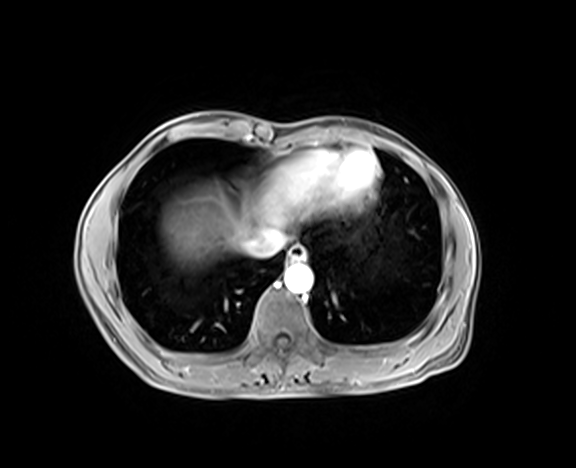
Abdominal MR · axial view · percentile-normalized
{"organs":{"esophagus":[287,245,305,261],"liver":[163,184,257,262],"aorta":[284,265,313,293],"inferior vena cava":[245,227,285,257]}}